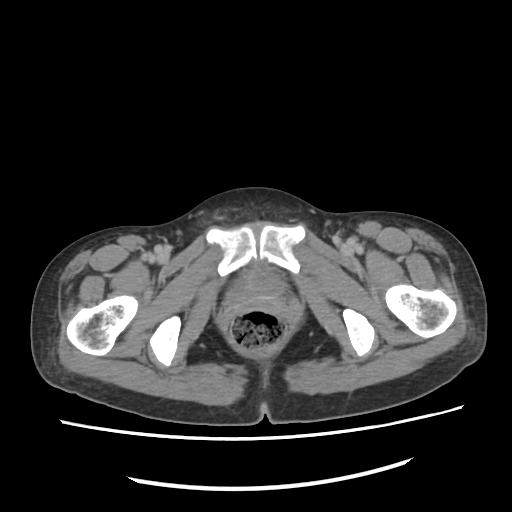 Abdominal CT; Axial slice 16/112; 512x512 px; 39-year-old female patient
<organs><organ name="bladder" x1="226" y1="277" x2="279" y2="303"/></organs>